CT abdomen; axial plane, index 15; 512x512 px; 54-year-old male patient; scan has 15 labeled organs (that count is for the whole scan; organs this slice misses have no box)
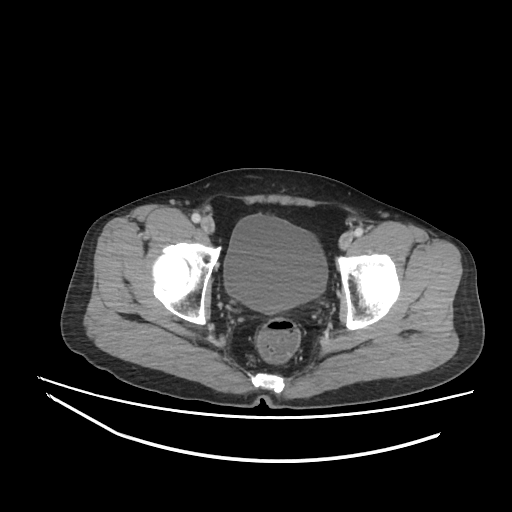
Boxes: x1 y1 x2 y2 (pixel coords, space-separated).
Organ bounding boxes:
- bladder: 224 214 327 311